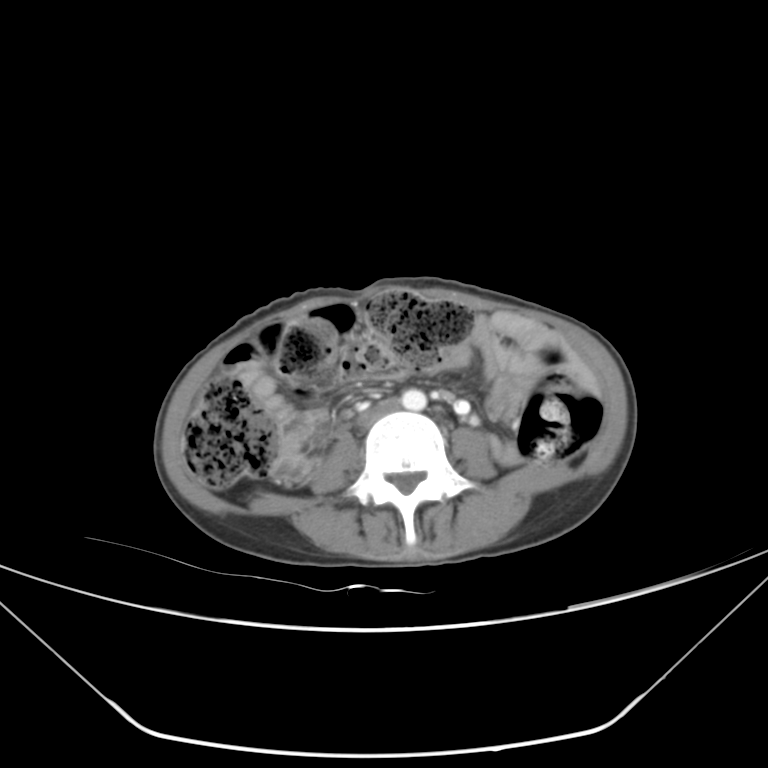
Computed tomography, abdomen; axial view; 32-year-old female patient; 15 organs annotated in this scan (a whole-scan count: organs this slice does not pass through have no box)
Bounding boxes as [x1, y1, x2, y2] in pixel coordinates. Labeled organs on this slice: aorta at [401, 390, 426, 410], inferior vena cava at [359, 400, 395, 424].